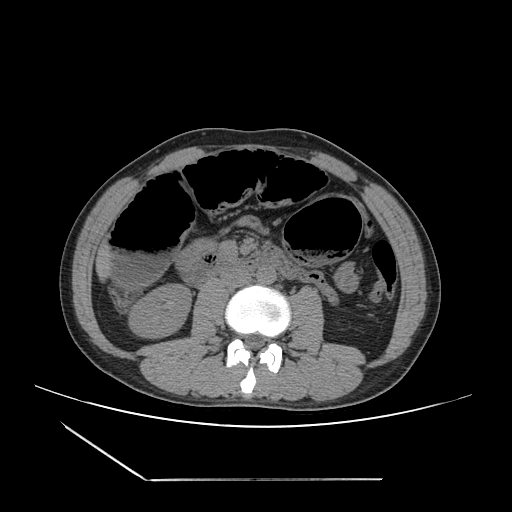
CT abdomen — axial plane, index 102 — W/L 400/40 HU — 512x512 px
Bounding boxes as [x1, y1, x2, y2] in pixel coordinates.
right kidney: [130, 285, 190, 337]
liver: [97, 245, 109, 274]
stomach: [337, 264, 355, 291]
aorta: [256, 264, 276, 284]
inferior vena cava: [220, 270, 251, 288]
duodenum: [185, 250, 334, 297]